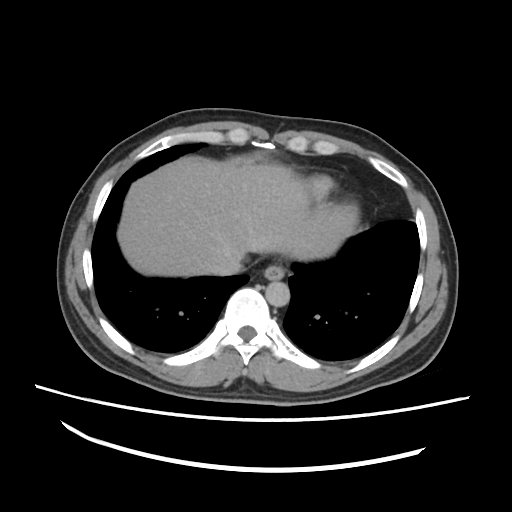

Abdominal CT · axial view · 44-year-old male patient · scan has 15 labeled organs (a whole-scan count: organs this slice does not pass through have no box)
Each box given as x1,y1,x2,y2. Labeled organs on this slice: esophagus at x1=262, y1=265, x2=284, y2=279, liver at x1=117, y1=156, x2=355, y2=277, aorta at x1=266, y1=280, x2=290, y2=306, inferior vena cava at x1=205, y1=254, x2=240, y2=276.